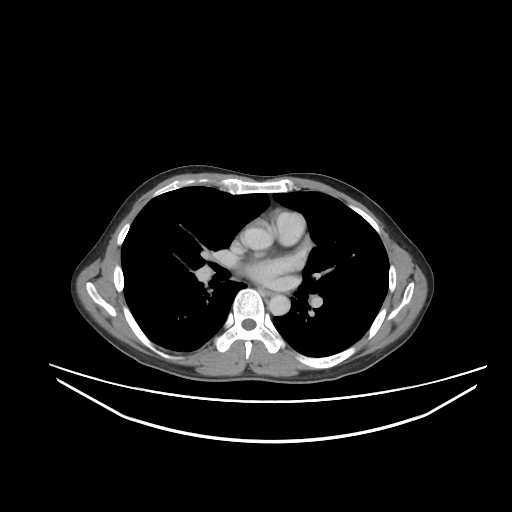 Chest-level slice from an abdominal CT that extends up into the chest — Axial slice 104/132 — soft-tissue window, W/L 400/40 — 512x512 px — 15 organs annotated in this scan (counted over the whole 3D scan, not this slice; an organ is boxed only where this slice passes through it)
At this level of the chest this dataset labels only the esophagus and the aorta, and each is boxed only where it is labeled; the heart and lungs are never labeled. Boxes: x1:y1:x2:y2 in pixels. Labeled organs on this slice: esophagus at 261:289:273:295, aorta at 242:228:272:249, aorta at 268:294:290:315.